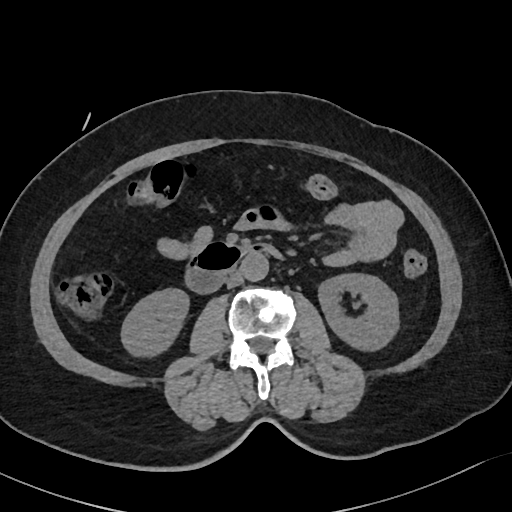

Abdominal CT. axial plane, index 113. scan has 15 labeled organs (that count is for the whole scan; organs this slice misses have no box)
Boxes are (x1, y1, x2, y2) in pixels.
Organ bounding boxes:
- right kidney: (121, 289, 188, 356)
- left kidney: (318, 273, 398, 350)
- aorta: (241, 254, 269, 281)
- inferior vena cava: (225, 271, 243, 287)
- duodenum: (185, 242, 281, 293)